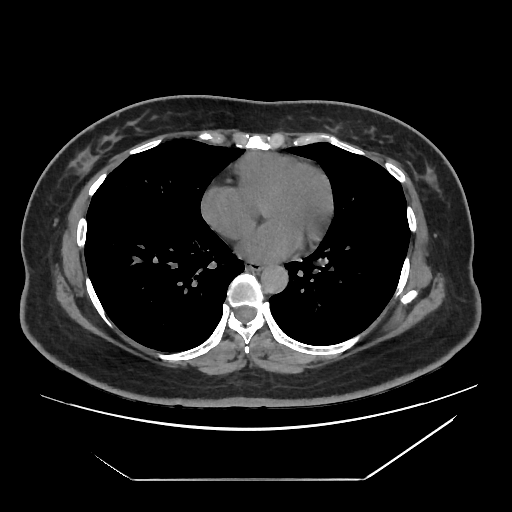

Abdominal CT; this slice is in the lower chest, just above the liver — axial view — soft-tissue window
The heart and lungs are never labeled in this dataset, so they have no box on this slice.
Bounding boxes in pixels, one row per box: x1, y1 is the top-left corner and x2, y2 the bottom-right.
| organ | x1 | y1 | x2 | y2 |
|---|---|---|---|---|
| esophagus | 247 | 260 | 262 | 270 |
| aorta | 261 | 265 | 288 | 293 |